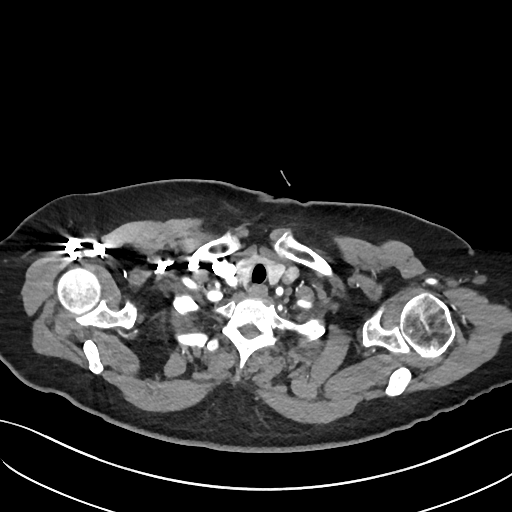 Chest-level slice from an abdominal CT that extends up into the chest · axial view · soft-tissue window, W/L 400/40 · 512x512 px · 15 organs annotated in this scan (a whole-scan count: organs this slice does not pass through have no box)
On a slice this high in the chest, this dataset labels only the esophagus and the aorta, and each is boxed only where it is labeled; the heart, lungs and other chest structures are not labeled. Each box given as x1,y1,x2,y2. The annotated organs in this slice are: esophagus at x1=246, y1=284, x2=267, y2=297.